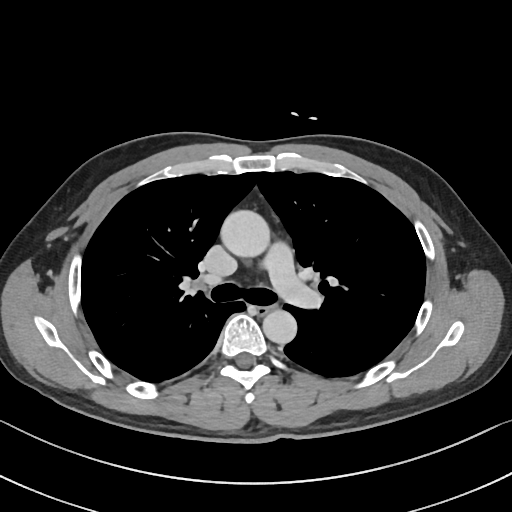

CT of the abdomen extending into the chest, slice through the chest · axial view
On a slice this high in the chest, this dataset labels only the esophagus and the aorta, and each is boxed only where it is labeled; the heart, lungs and other chest structures are not labeled.
Boxes: x1 y1 x2 y2 (pixel coords, space-separated).
esophagus: 257 305 274 314
aorta: 220 209 269 256
aorta: 263 310 296 344